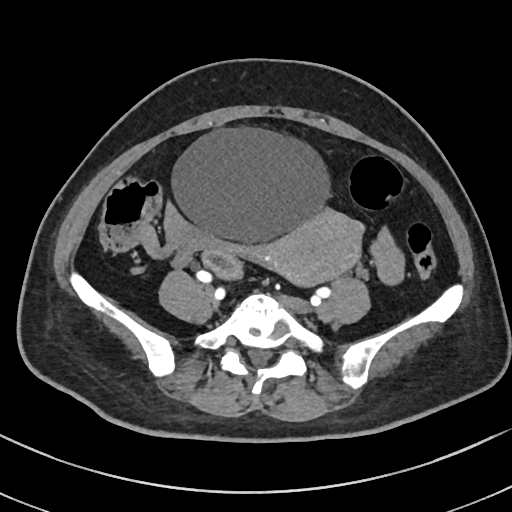
Computed tomography, abdomen. axial view. soft-tissue window. SOMATOM Force scanner. scan has 15 labeled organs (counted over the whole 3D scan, not this slice; an organ is boxed only where this slice passes through it)
Each box given as x1,y1,x2,y2.
Organ bounding boxes:
- bladder: x1=171, y1=127, x2=330, y2=243
- prostate/uterus: x1=252, y1=208, x2=364, y2=287